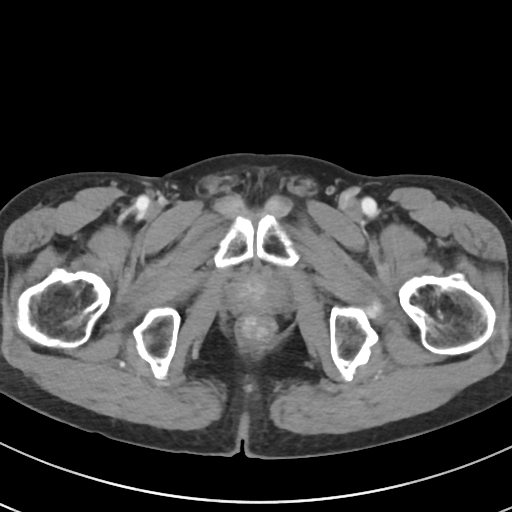

Abdominal CT. axial plane, index 4. acquired on SOMATOM Force
Each box given as x1,y1,x2,y2. 1 labeled organ on this slice — prostate/uterus at x1=227, y1=273, x2=285, y2=312.